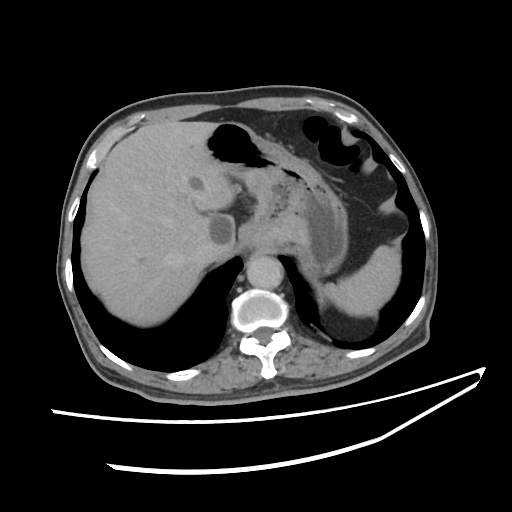
CT, abdomen/pelvis. Axial slice 79/91. 512x512 px
Boxes are (x1, y1, x2, y2) in pixels. 5 labeled organs on this slice — spleen at (318, 246, 399, 318); liver at (80, 121, 234, 325); stomach at (205, 121, 348, 280); aorta at (247, 257, 282, 289); inferior vena cava at (195, 246, 213, 262).